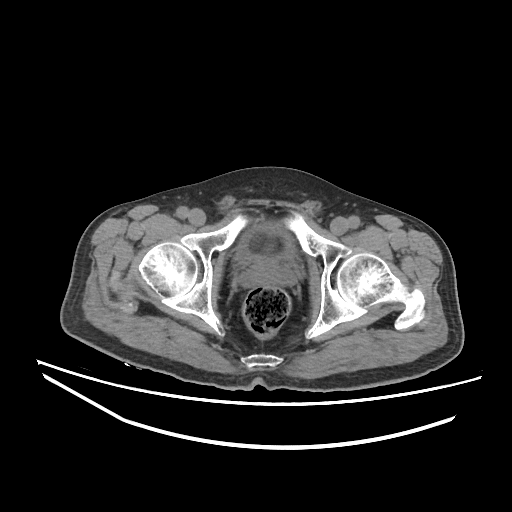

CT, abdomen/pelvis; axial view; abdomen soft-tissue window; 512x512 px
Coordinates as <box>x1,y1,x2,y2</box> in pixels.
bladder: <box>234,224,296,263</box>
prostate/uterus: <box>239,261,295,287</box>